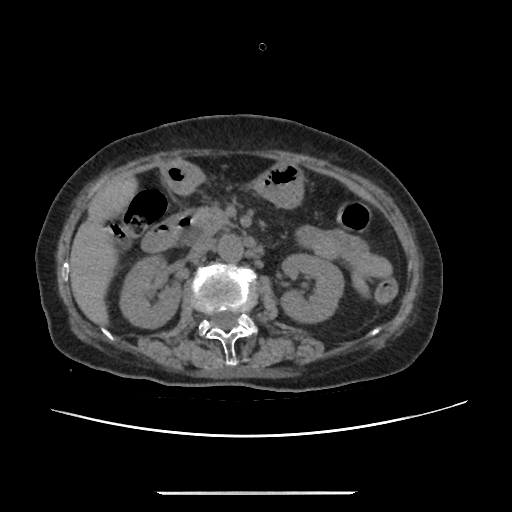
CT abdomen — axial view — acquired on SOMATOM Force — scan has 14 labeled organs (counted over the whole 3D scan, not this slice; an organ is boxed only where this slice passes through it)
<organs><organ name="right kidney" x1="121" y1="257" x2="180" y2="327"/><organ name="left kidney" x1="281" y1="254" x2="343" y2="320"/><organ name="liver" x1="70" y1="179" x2="135" y2="324"/><organ name="stomach" x1="160" y1="159" x2="302" y2="207"/><organ name="aorta" x1="216" y1="234" x2="242" y2="261"/><organ name="inferior vena cava" x1="189" y1="240" x2="212" y2="260"/><organ name="pancreas" x1="200" y1="207" x2="235" y2="235"/><organ name="duodenum" x1="141" y1="209" x2="205" y2="252"/></organs>